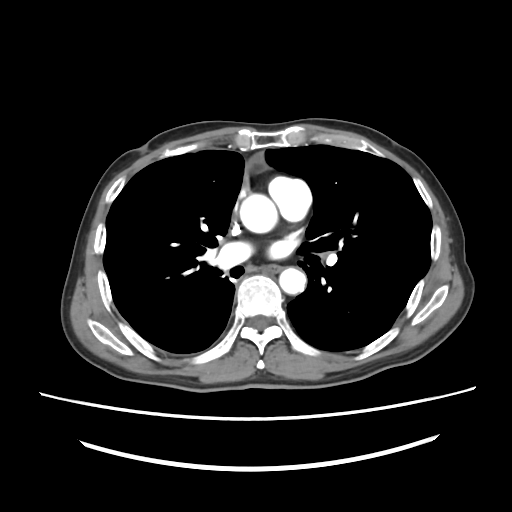
Chest-level CT slice, above the liver and spleen. axial view. 512x512 px. 65-year-old male patient. acquired on Aquilion ONE. 15 organs annotated in this scan (a whole-scan count: organs this slice does not pass through have no box)
At this level of the chest no structure but the esophagus and the aorta has a label in this dataset, and those two are boxed only where they are labeled.
Bounding boxes as [x1, y1, x2, y2] in pixel coordinates.
aorta: [239, 194, 277, 233]
aorta: [279, 267, 306, 294]
esophagus: [267, 266, 278, 270]